Lower-chest slice from an abdominal CT, just above the liver and spleen · axial view · 14 organs annotated in this scan (that count is for the whole scan; organs this slice misses have no box)
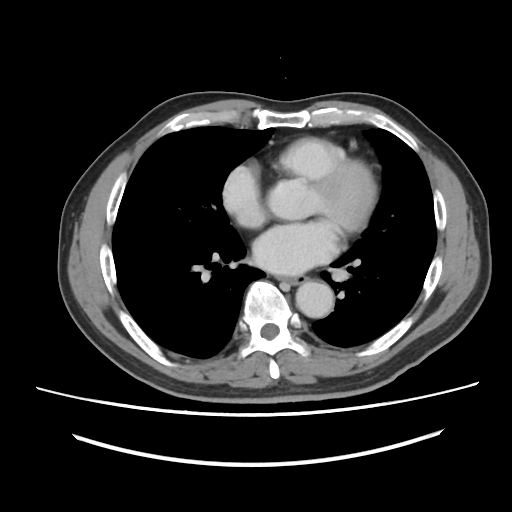
The heart and lungs are never labeled in this dataset, so they have no box on this slice.
One row per box, in pixels: columns x1 and y1 give the top-left corner, x2 and y2 the bottom-right.
| organ | x1 | y1 | x2 | y2 |
|---|---|---|---|---|
| esophagus | 279 | 276 | 306 | 284 |
| aorta | 296 | 281 | 333 | 317 |